Abdominal CT; axial view; acquired on Aquilion ONE
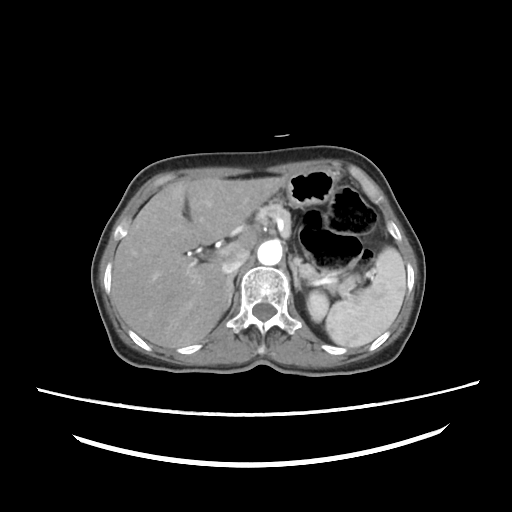 Boxes are (x1, y1, x2, y2) in pixels.
Organ bounding boxes:
- pancreas: (257, 205, 317, 279)
- left kidney: (307, 291, 328, 320)
- left adrenal gland: (291, 263, 300, 289)
- spleen: (325, 247, 406, 348)
- liver: (111, 176, 287, 348)
- stomach: (287, 168, 361, 296)
- aorta: (257, 240, 283, 264)
- right adrenal gland: (220, 274, 235, 314)
- inferior vena cava: (220, 247, 250, 273)